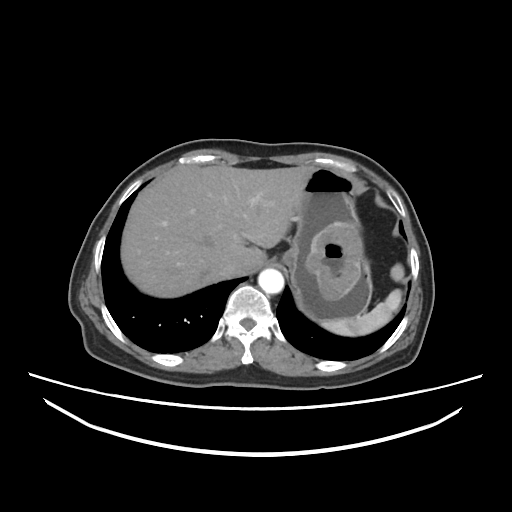

Abdominal CT. Axial slice 70/80. abdomen soft-tissue window. scan has 15 labeled organs (a whole-scan count: organs this slice does not pass through have no box)
Boxes are (x1, y1, x2, y2) in pixels. The annotated organs in this slice are: stomach at (283, 166, 372, 323), liver at (122, 166, 313, 296), inferior vena cava at (215, 259, 236, 277), spleen at (318, 264, 402, 337), aorta at (258, 269, 284, 293).